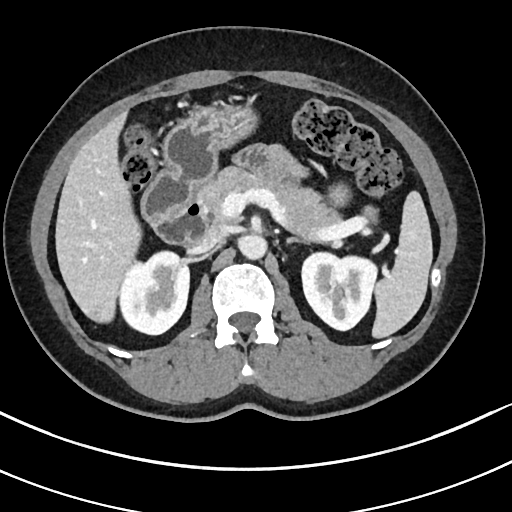
Computed tomography, abdomen · axial view · 512x512 px
Box edges are left/top/right/bottom in pixels.
Organ bounding boxes:
- left adrenal gland: left=287, top=236, right=308, bottom=244
- stomach: left=165, top=106, right=347, bottom=201
- duodenum: left=141, top=167, right=207, bottom=243
- right kidney: left=119, top=249, right=189, bottom=334
- inferior vena cava: left=189, top=224, right=225, bottom=253
- liver: left=55, top=114, right=140, bottom=320
- aorta: left=237, top=234, right=267, bottom=258
- pancreas: left=196, top=168, right=379, bottom=238
- spleen: left=372, top=192, right=432, bottom=337
- left kidney: left=301, top=250, right=379, bottom=330